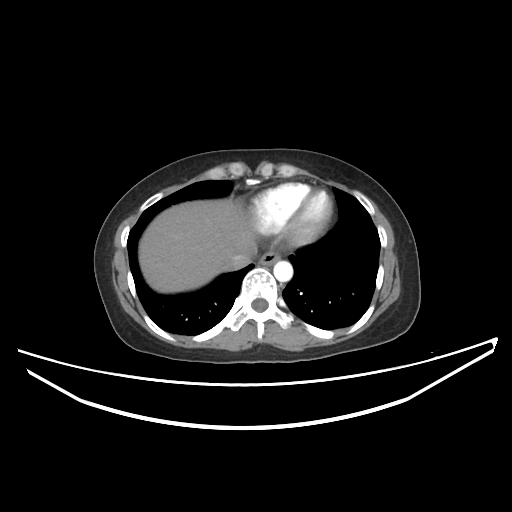 Abdominal CT; axial view; Aquilion ONE scanner
{"organs":{"esophagus":[259,250,281,265],"liver":[138,199,256,293],"aorta":[273,261,292,281],"inferior vena cava":[226,250,256,270]}}